Chest-level CT slice, above the liver and spleen. axial plane, index 116. soft-tissue window, W/L 400/40. 14 organs annotated in this scan (counted over the whole 3D scan, not this slice; an organ is boxed only where this slice passes through it)
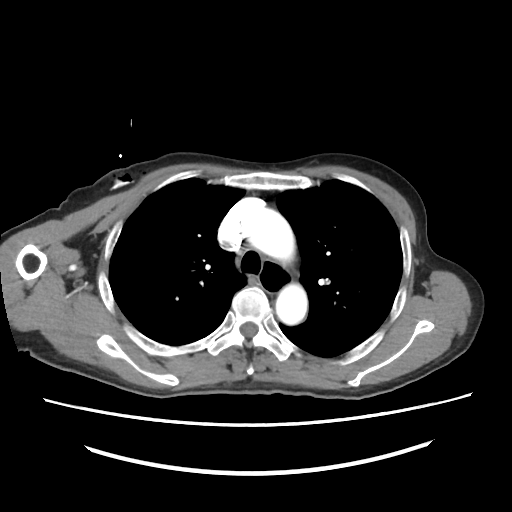 At this level of the chest this dataset labels only the esophagus and the aorta, and each is boxed only where it is labeled; the heart and lungs are never labeled.
Boxes: x1 y1 x2 y2 (pixel coords, space-separated).
esophagus: 260 260 293 291
aorta: 241 208 296 269
aorta: 276 282 308 326